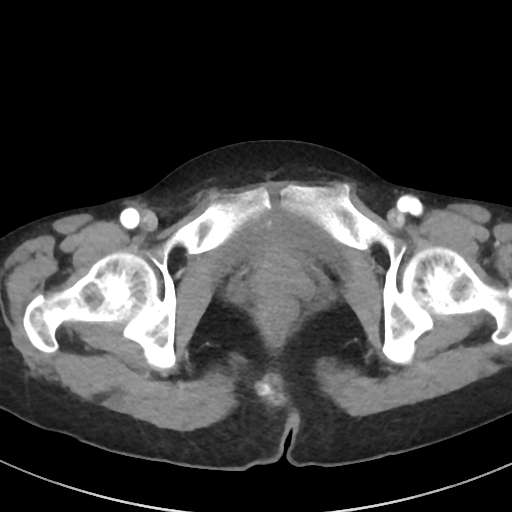

CT abdomen. axial view. 512x512 px. SOMATOM Force scanner
<organs><organ name="bladder" x1="212" y1="209" x2="336" y2="273"/><organ name="prostate/uterus" x1="252" y1="250" x2="308" y2="298"/></organs>